CT abdomen · axial plane, index 64 · W/L 400/40 HU · scan has 15 labeled organs (counted over the whole 3D scan, not this slice; an organ is boxed only where this slice passes through it)
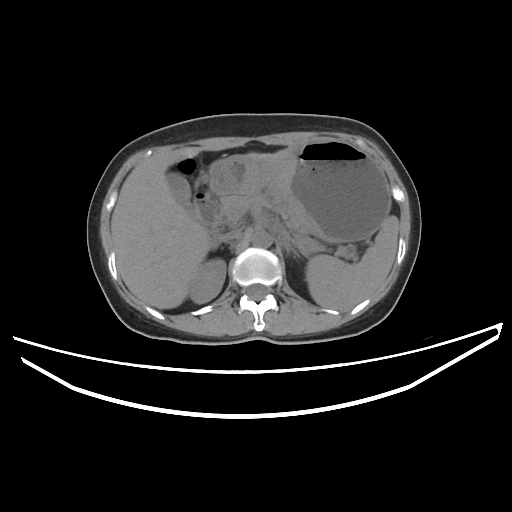 Organ boxes in pixel coordinates; each row gives the top-left (x1, y1) and bottom-right (x2, y2) corners.
| organ | x1 | y1 | x2 | y2 |
|---|---|---|---|---|
| spleen | 306 | 215 | 398 | 310 |
| right kidney | 188 | 258 | 226 | 303 |
| gall bladder | 167 | 172 | 192 | 211 |
| liver | 111 | 147 | 284 | 309 |
| stomach | 208 | 138 | 391 | 243 |
| aorta | 251 | 230 | 272 | 247 |
| inferior vena cava | 221 | 228 | 241 | 241 |
| pancreas | 220 | 194 | 312 | 242 |
| left adrenal gland | 286 | 244 | 301 | 257 |
| duodenum | 193 | 195 | 221 | 248 |